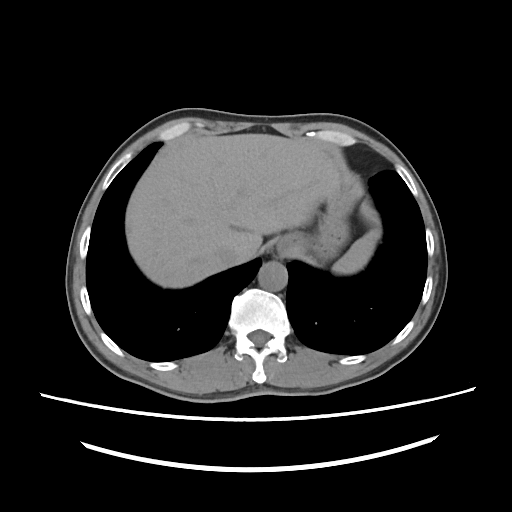

CT, abdomen/pelvis; axial view; 55-year-old male patient
{"organs":{"spleen":[333,230,378,274],"esophagus":[281,256,285,256],"stomach":[277,208,346,262],"aorta":[258,261,286,291],"inferior vena cava":[211,240,238,268],"liver":[126,133,340,287]}}